CT abdomen — axial view — 512x512 px
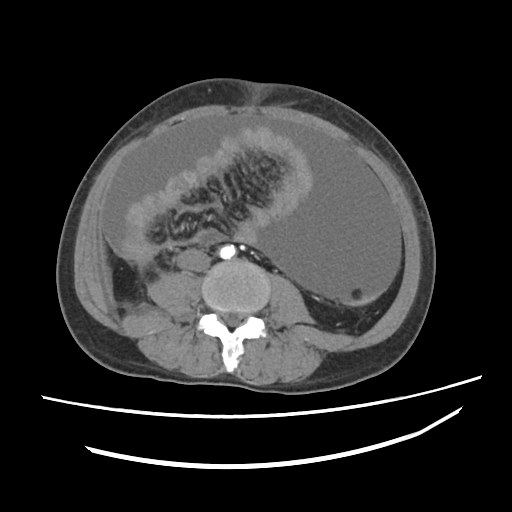
Box edges are left/top/right/bottom in pixels.
aorta: left=220, top=244, right=236, bottom=258
inferior vena cava: left=178, top=248, right=207, bottom=273